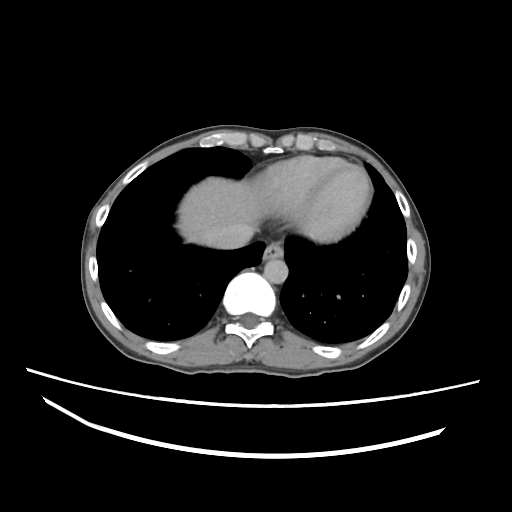
Computed tomography, abdomen. axial view. abdomen soft-tissue window. 512x512 px. 40-year-old male patient. scan has 15 labeled organs (a whole-scan count: organs this slice does not pass through have no box)
{"organs":{"esophagus":[262,242,282,260],"liver":[178,177,257,245],"aorta":[264,259,288,283],"inferior vena cava":[211,223,254,249]}}